Abdominal CT. axial view. W/L 400/40 HU. 512x512 px
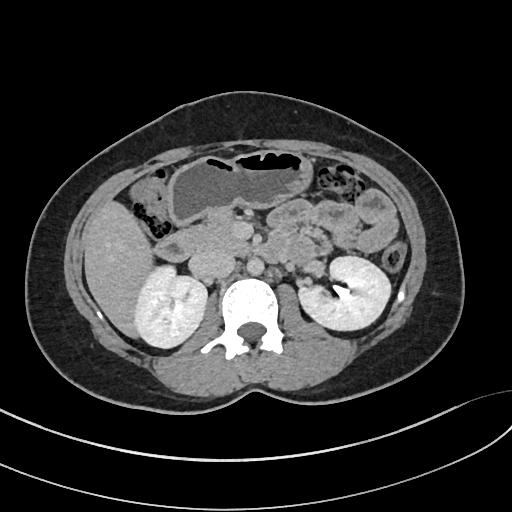
<organs><organ name="gall bladder" x1="128" y1="177" x2="159" y2="203"/><organ name="aorta" x1="247" y1="258" x2="264" y2="275"/><organ name="stomach" x1="166" y1="150" x2="314" y2="224"/><organ name="right kidney" x1="135" y1="266" x2="207" y2="348"/><organ name="pancreas" x1="191" y1="209" x2="250" y2="254"/><organ name="duodenum" x1="156" y1="229" x2="285" y2="262"/><organ name="left kidney" x1="298" y1="257" x2="389" y2="331"/><organ name="liver" x1="84" y1="199" x2="150" y2="340"/><organ name="inferior vena cava" x1="189" y1="250" x2="235" y2="278"/></organs>